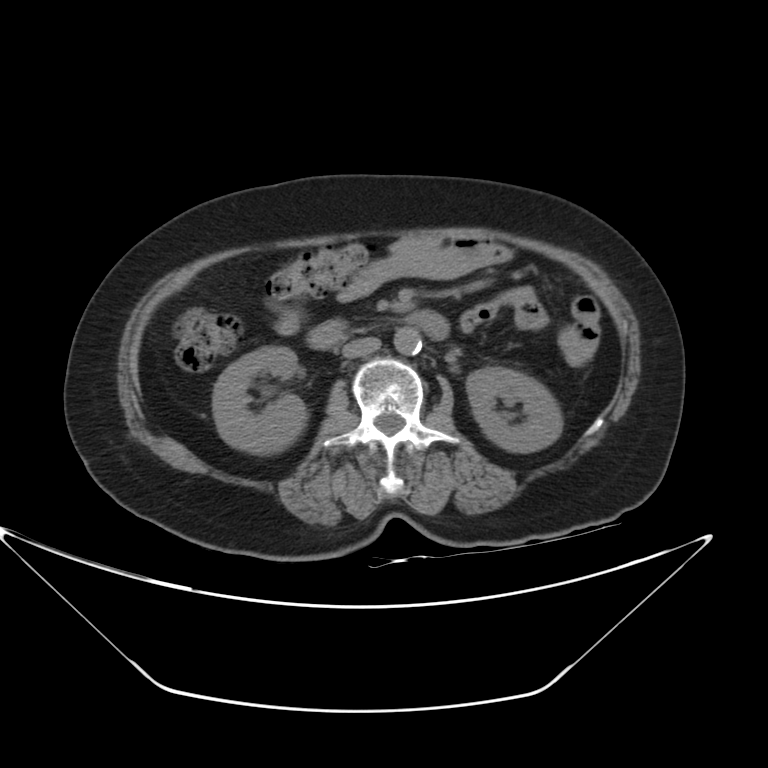
CT, abdomen/pelvis. axial view. abdomen soft-tissue window
Boxes: x1:y1:x2:y2 in pixels.
right kidney: 212:346:308:453
left kidney: 466:366:562:452
aorta: 393:326:421:355
inferior vena cava: 342:337:380:357
duodenum: 307:310:449:349